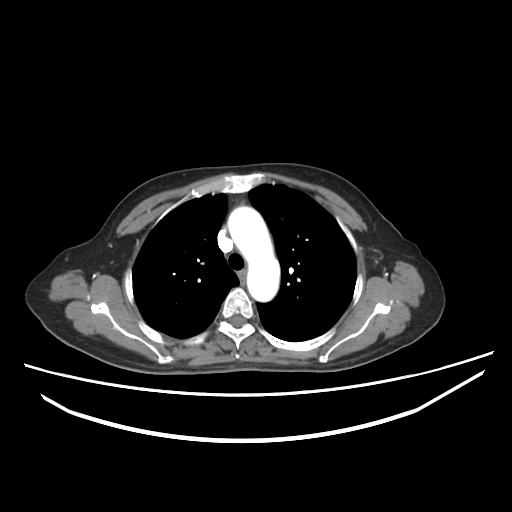 CT of the abdomen extending into the chest, slice through the chest; axial view; 512x512 px; 63-year-old female patient; Aquilion ONE scanner
At this level of the chest this dataset labels only the esophagus and the aorta, and each is boxed only where it is labeled; the heart and lungs are never labeled. Coordinates as <box>x1,y1,x2,y2</box> in pixels. 1 labeled organ on this slice — aorta at <box>228,208,280,302</box>.